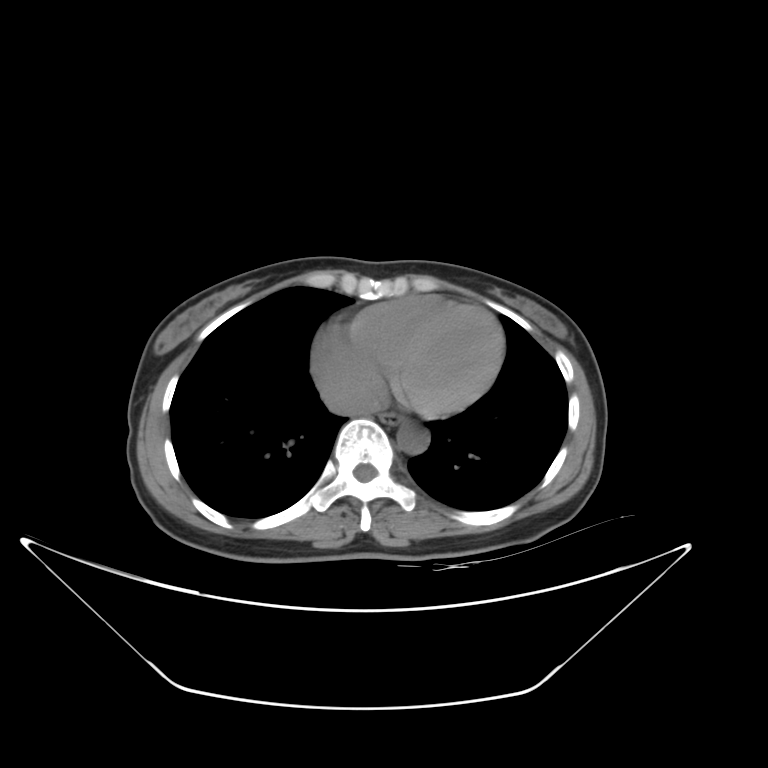 CT of the abdomen reaching into the lower chest, slice just above the liver and spleen — axial view — soft-tissue window — 43-year-old female patient
No part of the heart or lungs is labeled in this dataset, so neither has a box here.
Bounding boxes as [x1, y1, x2, y2] in pixel coordinates.
Organ bounding boxes:
- esophagus: [378, 413, 402, 422]
- aorta: [397, 424, 428, 454]
- inferior vena cava: [325, 387, 374, 414]